CT, abdomen/pelvis · axial view · W/L 400/40 HU
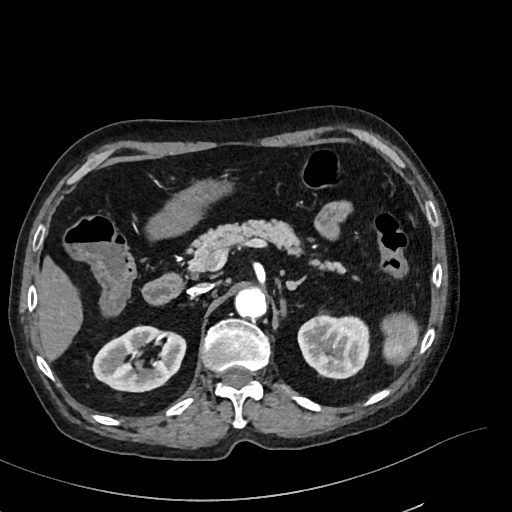 Boxes: x1 y1 x2 y2 (pixel coords, space-separated). 10 labeled organs on this slice — spleen at 380 312 418 365; right kidney at 93 326 185 391; left kidney at 298 315 369 378; liver at 37 256 82 360; stomach at 146 179 230 239; aorta at 234 287 267 318; inferior vena cava at 189 283 212 295; pancreas at 187 220 346 273; left adrenal gland at 286 277 305 289; duodenum at 142 273 183 304.